Lower-chest slice from an abdominal CT, just above the liver and spleen · axial plane, index 96 · 46-year-old male patient · 15 organs annotated in this scan (counted over the whole 3D scan, not this slice; an organ is boxed only where this slice passes through it)
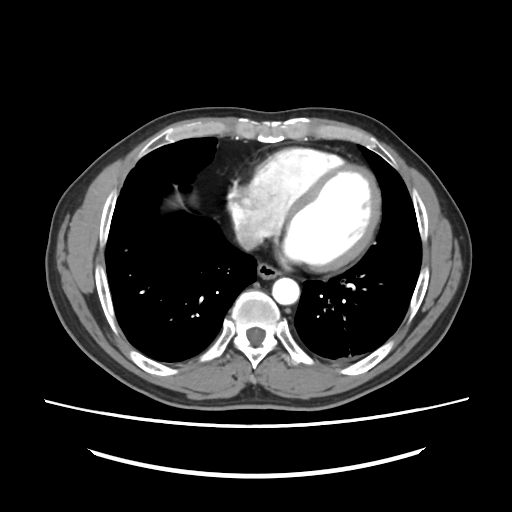 No part of the heart or lungs is labeled in this dataset, so neither has a box here.
Coordinates as <box>x1,y1,x2,y2</box> in pixels.
Organ bounding boxes:
- esophagus: <box>257,263,280,279</box>
- aorta: <box>272,277,299,304</box>
- inferior vena cava: <box>235,224,262,250</box>